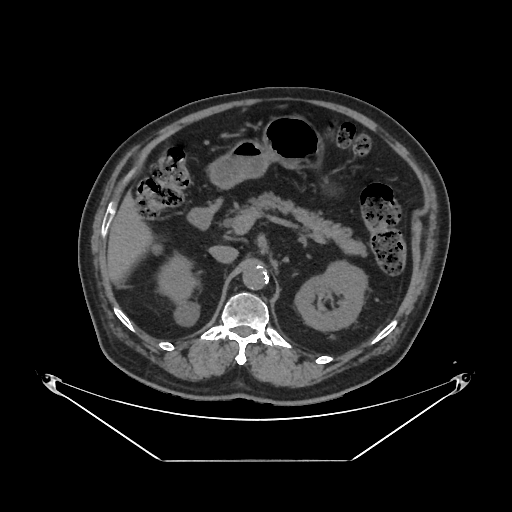 CT abdomen · axial view
Organ boxes in pixel coordinates; each row gives the top-left (x1, y1) and bottom-right (x2, y2) corners.
| organ | x1 | y1 | x2 | y2 |
|---|---|---|---|---|
| right kidney | 161 | 255 | 199 | 322 |
| left kidney | 295 | 260 | 367 | 331 |
| liver | 107 | 192 | 153 | 286 |
| stomach | 208 | 116 | 321 | 189 |
| aorta | 242 | 264 | 268 | 290 |
| inferior vena cava | 209 | 245 | 238 | 263 |
| pancreas | 243 | 192 | 366 | 256 |
| duodenum | 187 | 198 | 222 | 229 |